Computed tomography, abdomen · axial view · soft-tissue window · 512x512 px · 15 organs annotated in this scan (a whole-scan count: organs this slice does not pass through have no box)
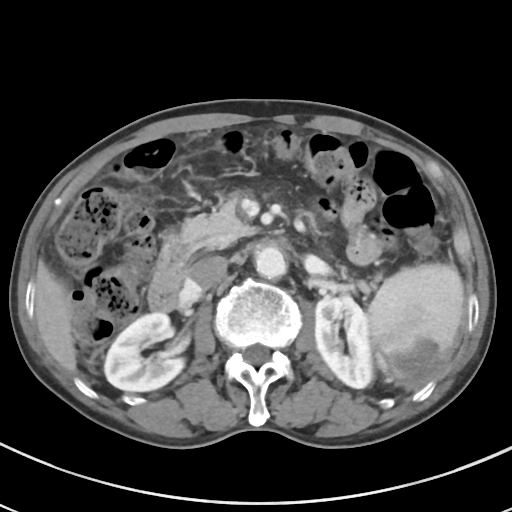

<organs><organ name="spleen" x1="367" y1="263" x2="464" y2="394"/><organ name="right kidney" x1="104" y1="312" x2="184" y2="391"/><organ name="left kidney" x1="315" y1="296" x2="373" y2="388"/><organ name="liver" x1="35" y1="262" x2="76" y2="372"/><organ name="aorta" x1="255" y1="246" x2="286" y2="279"/><organ name="inferior vena cava" x1="188" y1="255" x2="227" y2="289"/><organ name="pancreas" x1="166" y1="194" x2="373" y2="290"/><organ name="duodenum" x1="148" y1="230" x2="189" y2="311"/></organs>